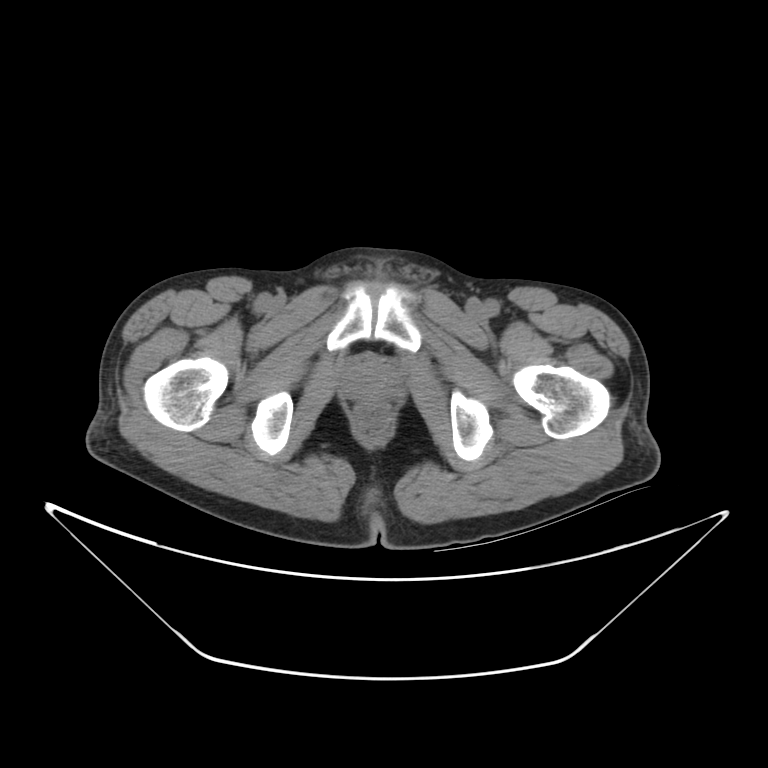

CT, abdomen/pelvis; axial view; 768x768 px; 59-year-old male patient
Bounding boxes as [x1, y1, x2, y2] in pixel coordinates. 1 labeled organ on this slice — prostate/uterus at [344, 366, 393, 402].